CT, abdomen/pelvis. axial view
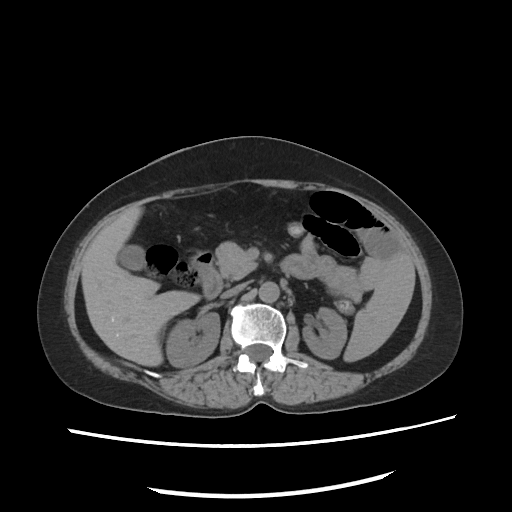

{"organs":{"spleen":[345,252,416,362],"right kidney":[166,313,219,368],"left kidney":[301,307,347,360],"gall bladder":[117,246,146,270],"liver":[82,206,198,368],"aorta":[258,282,280,304],"inferior vena cava":[221,285,246,298],"pancreas":[216,240,257,277],"duodenum":[193,252,221,298]}}